Abdominal CT reaching into the chest; this slice is in the chest — Axial slice 107/111 — 48-year-old female patient — Aquilion ONE scanner — scan has 15 labeled organs (that count is for the whole scan; organs this slice misses have no box)
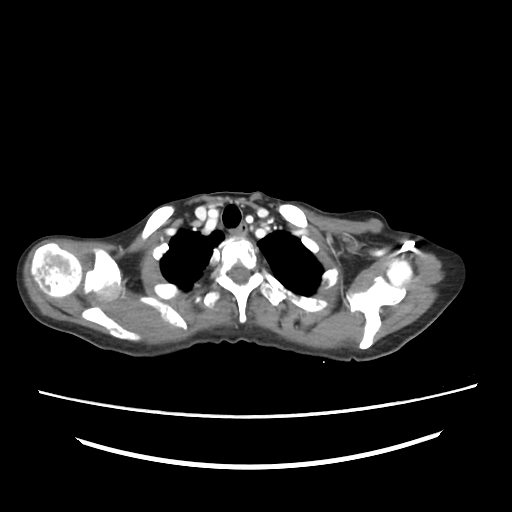
At this level of the chest this dataset labels only the esophagus and the aorta, and each is boxed only where it is labeled; the heart and lungs are never labeled.
Each box given as x1,y1,x2,y2.
esophagus: x1=236, y1=223, x2=247, y2=237